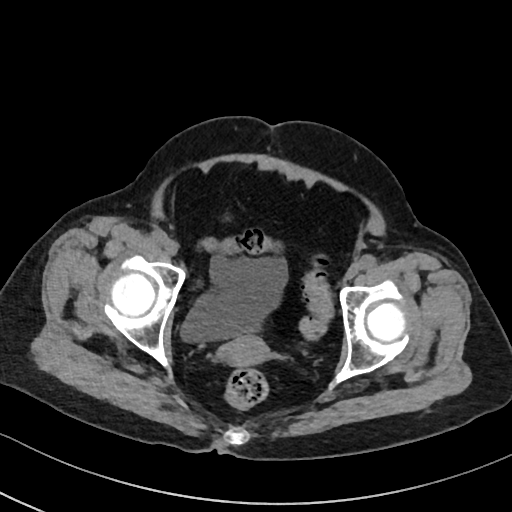
Abdominal CT · axial view
<organs><organ name="bladder" x1="180" y1="254" x2="288" y2="342"/><organ name="prostate/uterus" x1="218" y1="334" x2="272" y2="366"/></organs>